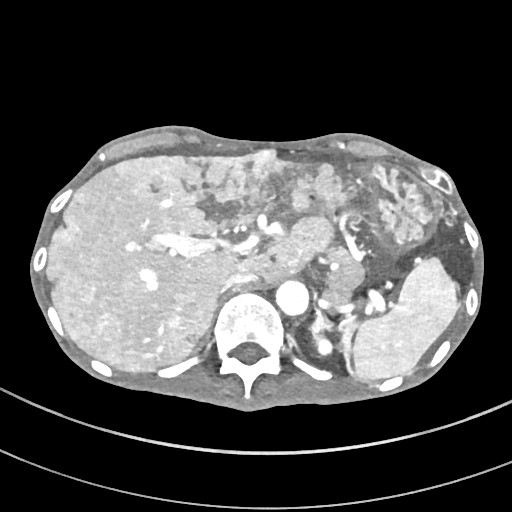 Abdominal CT · Axial slice 167/218
<organs><organ name="spleen" x1="343" y1="257" x2="459" y2="381"/><organ name="left kidney" x1="315" y1="337" x2="331" y2="354"/><organ name="liver" x1="46" y1="149" x2="362" y2="371"/><organ name="stomach" x1="359" y1="160" x2="437" y2="251"/><organ name="aorta" x1="276" y1="280" x2="308" y2="315"/><organ name="inferior vena cava" x1="219" y1="271" x2="257" y2="296"/><organ name="left adrenal gland" x1="312" y1="310" x2="336" y2="336"/></organs>